Computed tomography, abdomen — axial plane, index 46 — soft-tissue window
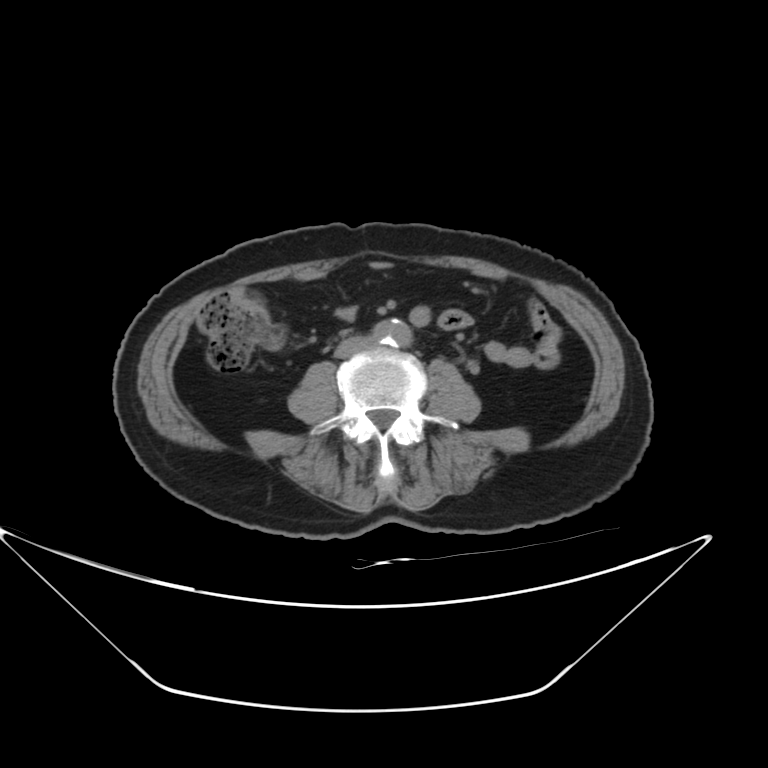
Boxes: x1:y1:x2:y2 in pixels.
Organ bounding boxes:
- aorta: 372:319:411:347
- inferior vena cava: 334:335:374:357